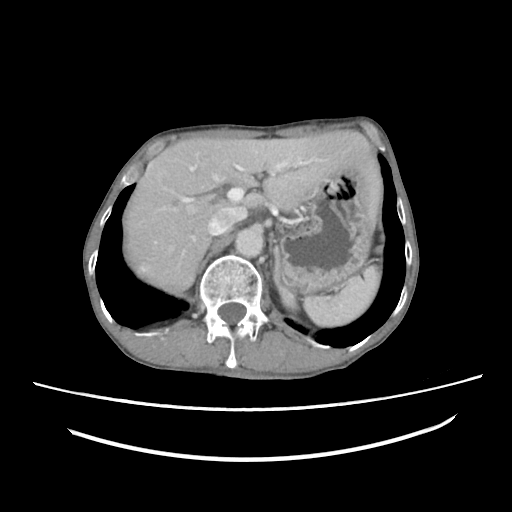

CT abdomen — axial view — 59-year-old male patient
{"organs":{"spleen":[303,266,380,326],"left kidney":[280,287,296,310],"liver":[123,130,381,294],"stomach":[279,169,374,292],"aorta":[235,228,263,257],"inferior vena cava":[207,206,247,235],"left adrenal gland":[273,248,279,284]}}